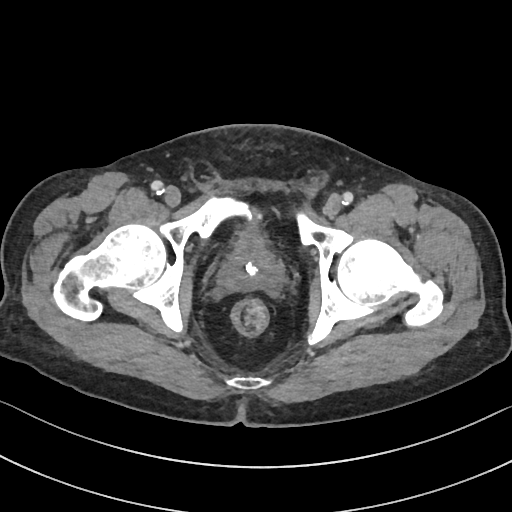
CT abdomen — Axial slice 41/221 — scan has 14 labeled organs (a whole-scan count: organs this slice does not pass through have no box)
<organs><organ name="bladder" x1="235" y1="220" x2="263" y2="247"/><organ name="prostate/uterus" x1="219" y1="247" x2="281" y2="292"/></organs>